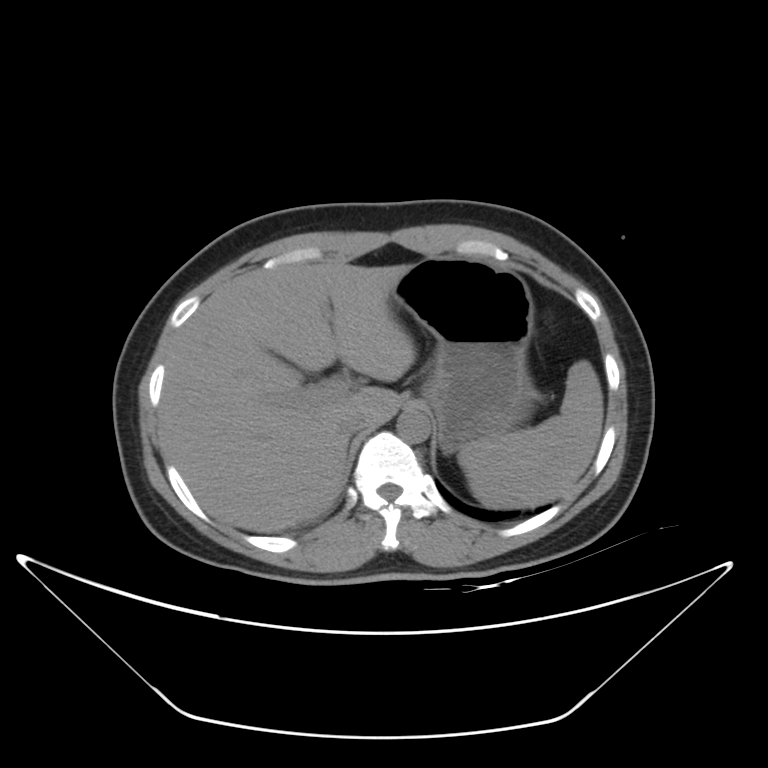

CT, abdomen/pelvis; Axial slice 82/105; abdomen soft-tissue window
Boxes: x1:y1:x2:y2 in pixels.
inferior vena cava: 338:411:370:435
liver: 160:262:414:531
aorta: 396:407:430:442
stomach: 391:256:533:451
spleen: 458:360:603:507